Computed tomography, abdomen. axial view. 512x512 px. 45-year-old female patient. Aquilion ONE scanner
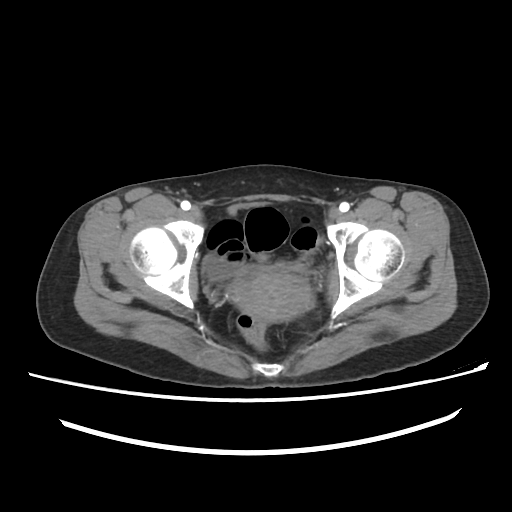
One row per box, in pixels: columns x1 and y1 give the top-left corner, x2 and y2 the bottom-right.
| organ | x1 | y1 | x2 | y2 |
|---|---|---|---|---|
| bladder | 202 | 255 | 252 | 280 |
| prostate/uterus | 235 | 268 | 308 | 321 |